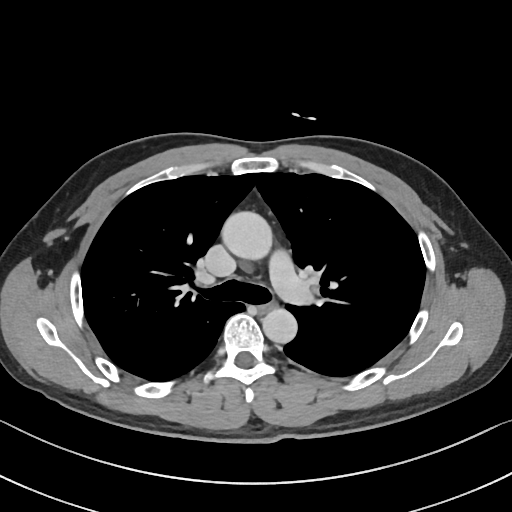

Chest-level slice from an abdominal CT that extends up into the chest · Axial slice 238/291 · soft-tissue window, W/L 400/40
At this level of the chest this dataset labels only the esophagus and the aorta, and each is boxed only where it is labeled; the heart and lungs are never labeled. Boxes are (x1, y1, x2, y2) in pixels. The annotated organs in this slice are: esophagus at (259, 300, 275, 312), aorta at (221, 211, 272, 259), aorta at (262, 308, 297, 343).